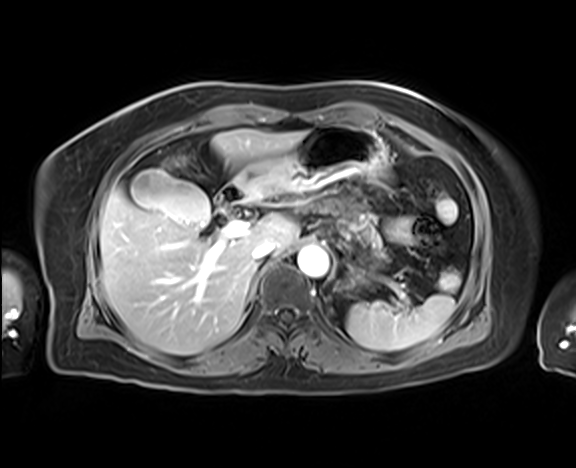
Magnetic resonance imaging, abdomen; Axial slice 45/72
Each box given as x1,y1,x2,y2.
Organ bounding boxes:
- spleen: x1=346, y1=294, x2=454, y2=351
- gall bladder: x1=131, y1=171, x2=210, y2=227
- liver: x1=100, y1=129, x2=304, y2=355
- stomach: x1=235, y1=123, x2=388, y2=199
- aorta: x1=297, y1=245, x2=329, y2=277
- inferior vena cava: x1=252, y1=241, x2=275, y2=261
- pancreas: x1=295, y1=186, x2=391, y2=261
- duodenum: x1=213, y1=177, x2=257, y2=206